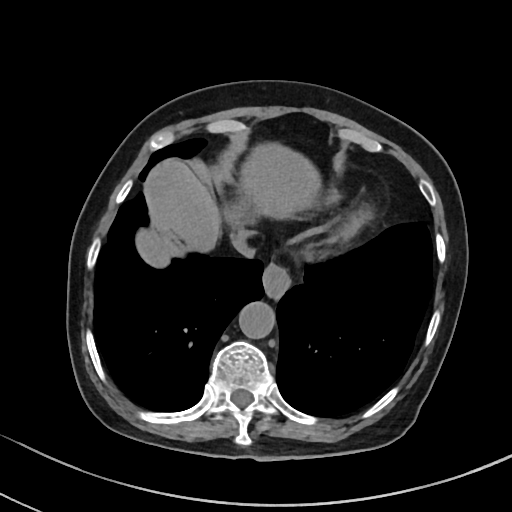
Abdominal CT · axial view · W/L 400/40 HU · 512x512 px
<organs><organ name="esophagus" x1="263" y1="263" x2="291" y2="299"/><organ name="liver" x1="136" y1="142" x2="320" y2="267"/><organ name="aorta" x1="239" y1="301" x2="275" y2="338"/><organ name="inferior vena cava" x1="231" y1="228" x2="255" y2="257"/></organs>